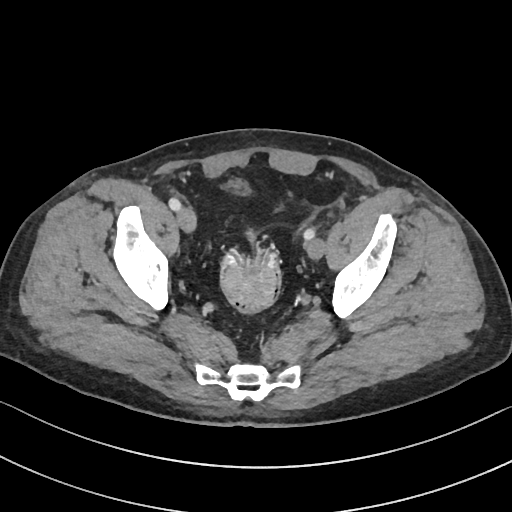

CT, abdomen/pelvis; axial view
Box edges are left/top/right/bottom in pixels.
Organ bounding boxes:
- bladder: left=227, top=179, right=245, bottom=188